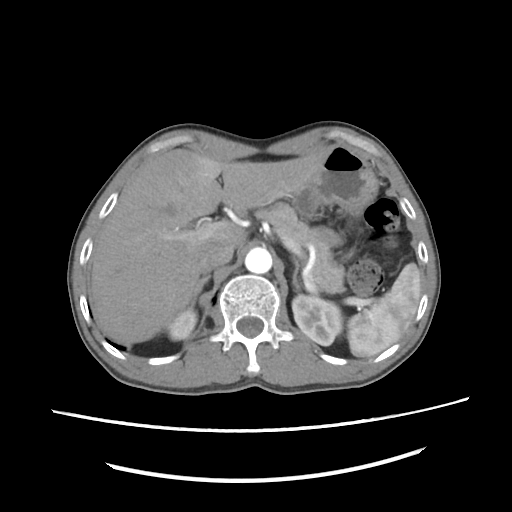
CT abdomen — Axial slice 74/86 — soft-tissue window — scan has 15 labeled organs (a whole-scan count: organs this slice does not pass through have no box)
Each box given as x1,y1,x2,y2. The annotated organs in this slice are: left adrenal gland at x1=293, y1=257, x2=300, y2=291, left kidney at x1=291, y1=296, x2=342, y2=345, right kidney at x1=166, y1=307, x2=196, y2=339, liver at x1=88, y1=146, x2=330, y2=343, pancreas at x1=255, y1=202, x2=346, y2=295, inferior vena cava at x1=195, y1=242, x2=234, y2=272, right adrenal gland at x1=186, y1=276, x2=210, y2=307, spleen at x1=345, y1=263, x2=421, y2=358, stomach at x1=295, y1=144, x2=376, y2=216, aorta at x1=245, y1=248, x2=273, y2=274.